Abdominal CT — axial view — soft-tissue window (W 400 / L 40) — 512x512 px
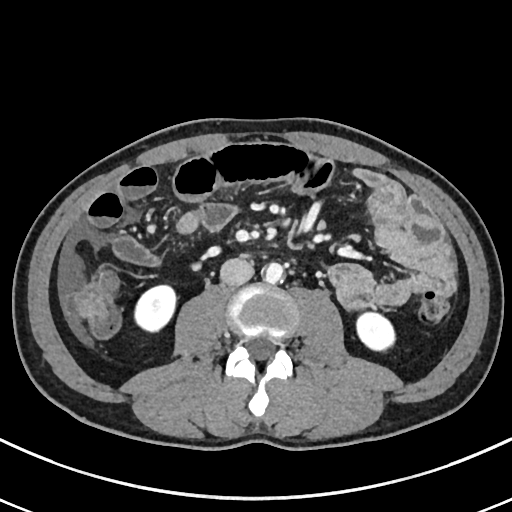

Each box given as x1,y1,x2,y2.
right kidney: x1=134, y1=284, x2=177, y2=331
left kidney: x1=354, y1=311, x2=395, y2=351
aorta: x1=265, y1=262, x2=283, y2=283
inferior vena cava: x1=220, y1=258, x2=253, y2=285